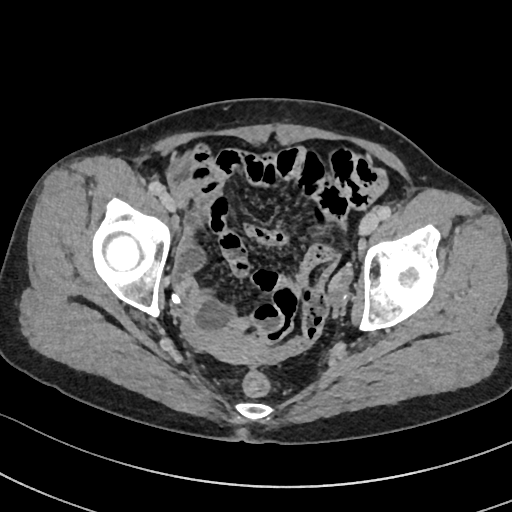

CT abdomen. Axial slice 32/192. W/L 400/40 HU
Box edges are left/top/right/bottom in pixels. The annotated organs in this slice are: prostate/uterus at left=204, top=329, right=266, bottom=363.